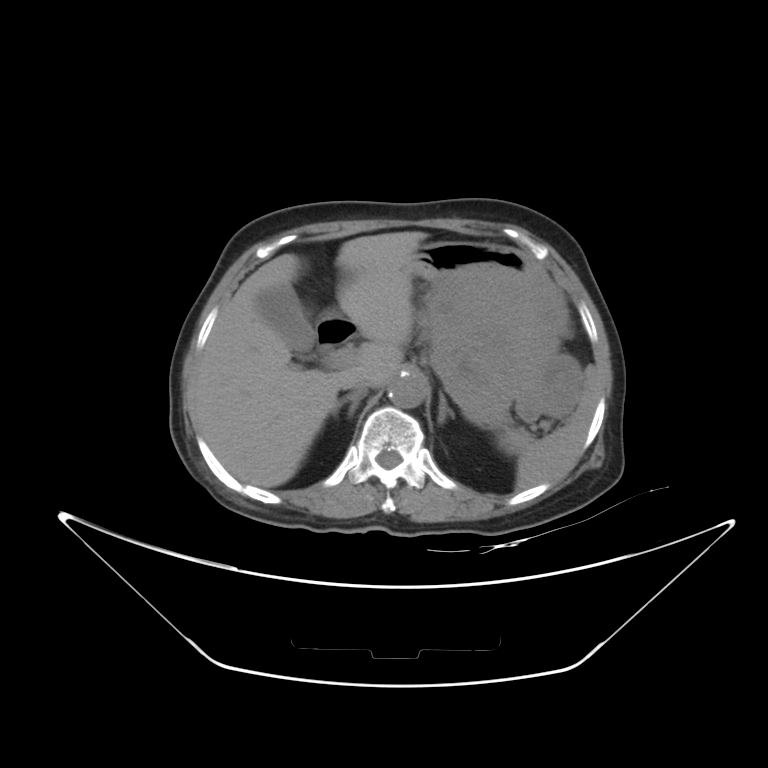 CT, abdomen/pelvis. axial view. 66-year-old female patient
{"organs":{"spleen":[501,364,598,488],"gall bladder":[256,286,315,358],"liver":[194,231,427,486],"stomach":[409,241,582,420],"aorta":[388,372,427,408],"inferior vena cava":[341,369,373,391],"right adrenal gland":[330,391,366,414],"left adrenal gland":[437,394,455,424],"duodenum":[316,316,356,347]}}